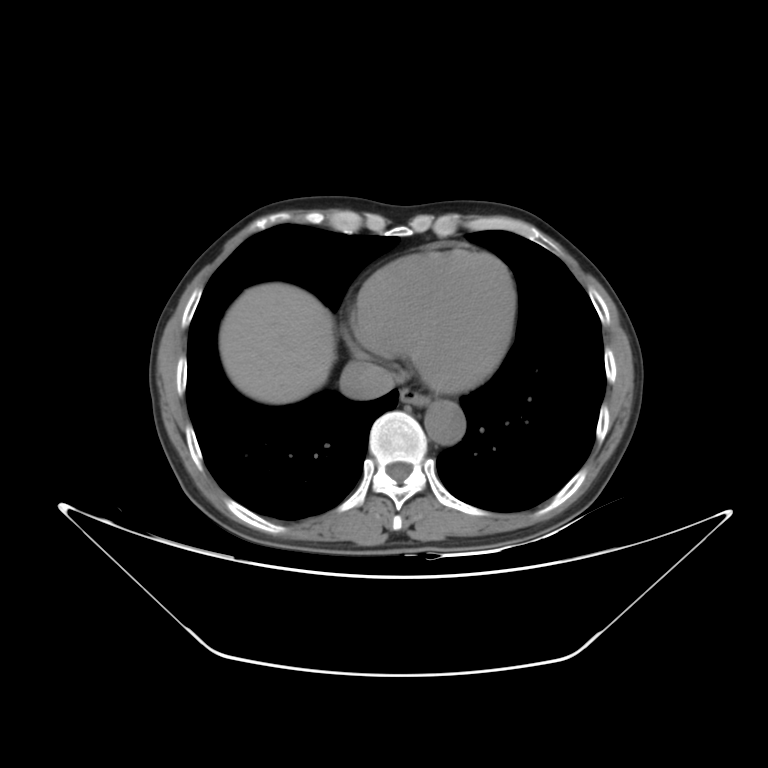

Abdominal CT · Axial slice 92/100 · abdomen soft-tissue window · acquired on Brilliance16
Each box given as x1,y1,x2,y2.
Organ bounding boxes:
- esophagus: x1=400, y1=387, x2=430, y2=406
- liver: x1=219, y1=282, x2=335, y2=404
- aorta: x1=424, y1=400, x2=465, y2=444
- inferior vena cava: x1=339, y1=361, x2=395, y2=399